CT, abdomen/pelvis. axial view
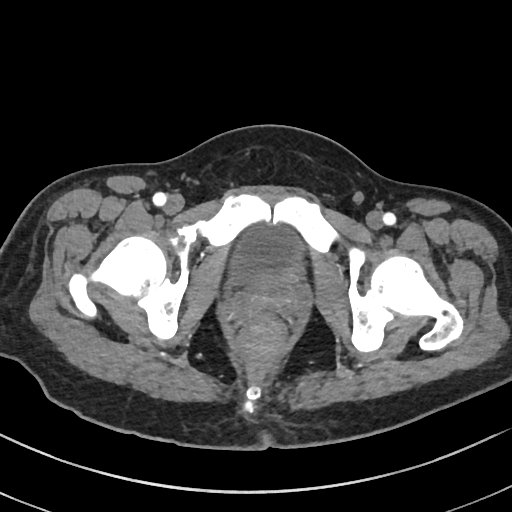

Boxes: x1 y1 x2 y2 (pixel coords, space-separated).
bladder: 229 223 304 284